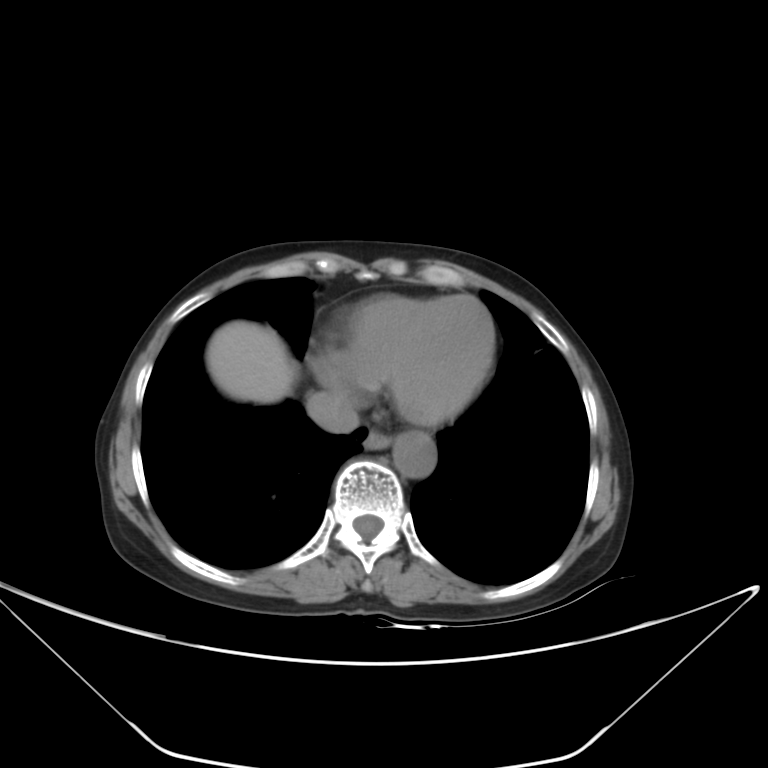
Abdominal CT; axial view; abdomen soft-tissue window
One row per box, in pixels: columns x1 and y1 give the top-left corner, x2 and y2 the bottom-right.
| organ | x1 | y1 | x2 | y2 |
|---|---|---|---|---|
| aorta | 392 | 431 | 436 | 477 |
| esophagus | 363 | 428 | 391 | 449 |
| liver | 205 | 321 | 298 | 403 |
| inferior vena cava | 306 | 391 | 360 | 433 |